Abdominal CT; this slice is in the lower chest, just above the liver; axial view; soft-tissue window (W 400 / L 40); Aquilion ONE scanner
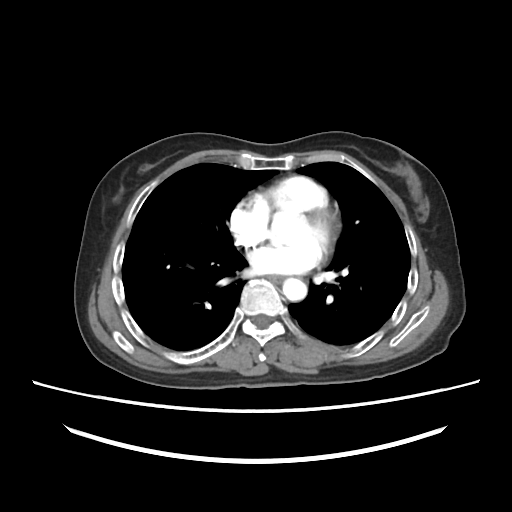
No part of the heart or lungs is labeled in this dataset, so neither has a box here.
Bounding boxes in pixels, one row per box: x1, y1 is the top-left corner and x2, y2 the bottom-right.
| organ | x1 | y1 | x2 | y2 |
|---|---|---|---|---|
| esophagus | 266 | 275 | 284 | 283 |
| aorta | 282 | 277 | 307 | 300 |